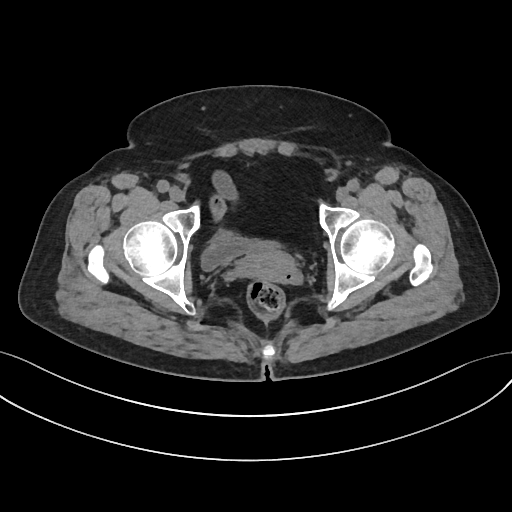 Abdominal CT — axial view — 512x512 px
{"organs":{"prostate/uterus":[241,249,295,282],"bladder":[201,231,279,270]}}